Computed tomography, abdomen — axial view
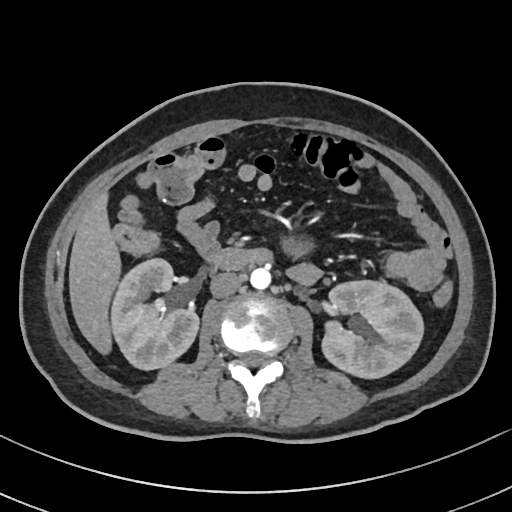

Coordinates as <box>x1,y1,x2,y2</box> in pixels. 6 labeled organs on this slice — left kidney at <box>322,280,423,378</box>; aorta at <box>250,267,270,289</box>; liver at <box>69,193,121,354</box>; inferior vena cava at <box>210,272,241,298</box>; duodenum at <box>209,249,269,270</box>; right kidney at <box>111,259,198,369</box>.